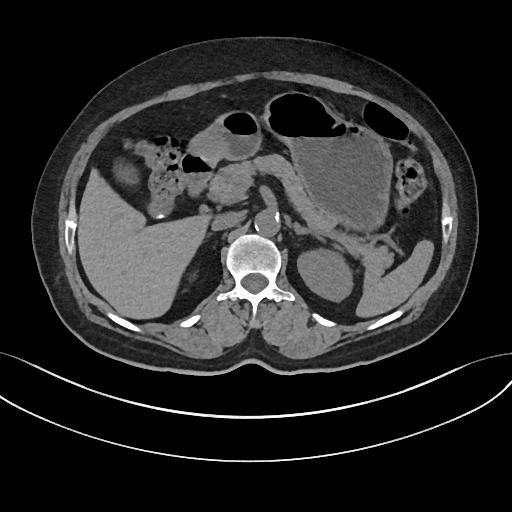
CT, abdomen/pelvis; axial view; abdomen soft-tissue window; 512x512 px
<organs><organ name="spleen" x1="357" y1="240" x2="433" y2="315"/><organ name="left kidney" x1="297" y1="250" x2="351" y2="301"/><organ name="gall bladder" x1="119" y1="167" x2="171" y2="218"/><organ name="liver" x1="78" y1="171" x2="206" y2="318"/><organ name="stomach" x1="188" y1="91" x2="391" y2="227"/><organ name="aorta" x1="254" y1="210" x2="279" y2="235"/><organ name="inferior vena cava" x1="211" y1="211" x2="241" y2="230"/><organ name="pancreas" x1="209" y1="154" x2="393" y2="284"/><organ name="left adrenal gland" x1="293" y1="221" x2="321" y2="240"/><organ name="duodenum" x1="181" y1="153" x2="213" y2="195"/></organs>